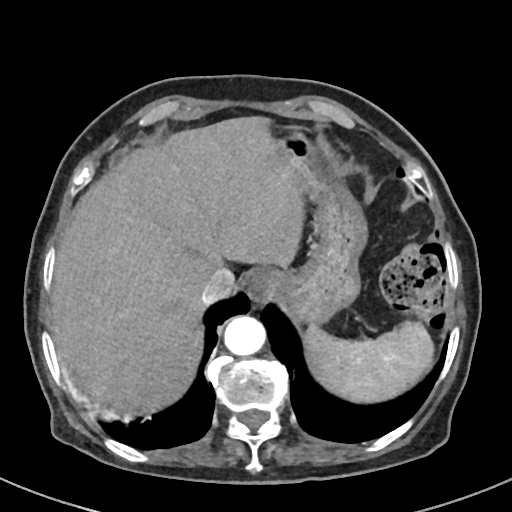

CT abdomen — axial view — W/L 400/40 HU
{"organs":{"aorta":[224,316,267,355],"spleen":[304,322,432,402],"inferior vena cava":[201,270,234,305],"esophagus":[245,269,285,302],"stomach":[272,132,366,327],"liver":[47,117,302,415]}}